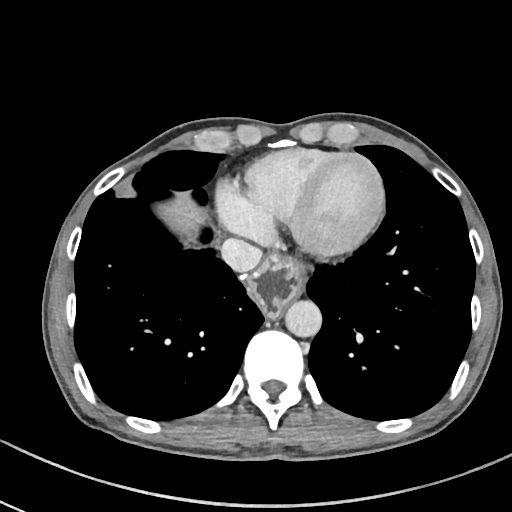 Computed tomography, abdomen. axial view. 512x512 px
Box edges are left/top/right/bottom in pixels. Labeled organs on this slice: esophagus at left=244, top=256, right=306, bottom=318, liver at left=158, top=199, right=206, bottom=234, inferior vena cava at left=220, top=238, right=261, bottom=271, aorta at left=286, top=300, right=321, bottom=336.